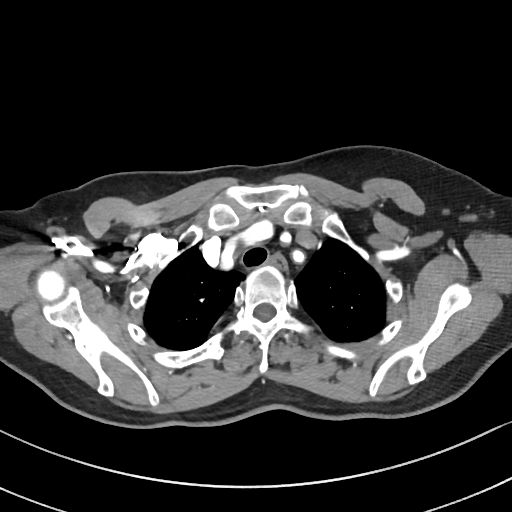
Chest-level CT slice, above the liver and spleen — axial view — W/L 400/40 HU
At this level of the chest this dataset labels only the esophagus and the aorta, and each is boxed only where it is labeled; the heart and lungs are never labeled.
<organs><organ name="esophagus" x1="267" y1="253" x2="288" y2="268"/></organs>